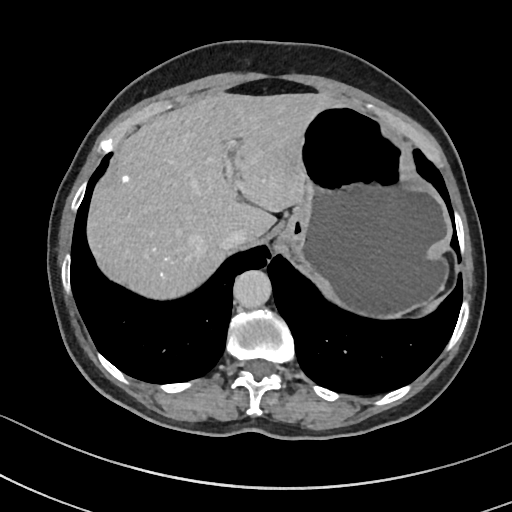
CT abdomen — axial plane, index 163 — abdomen soft-tissue window — scan has 15 labeled organs (that count is for the whole scan; organs this slice misses have no box)
Bounding boxes as [x1, y1, x2, y2] in pixel coordinates. Labeled organs on this slice: stomach at [279, 104, 448, 317], liver at [87, 92, 341, 299], inferior vena cava at [219, 232, 249, 250], aorta at [233, 270, 271, 307].